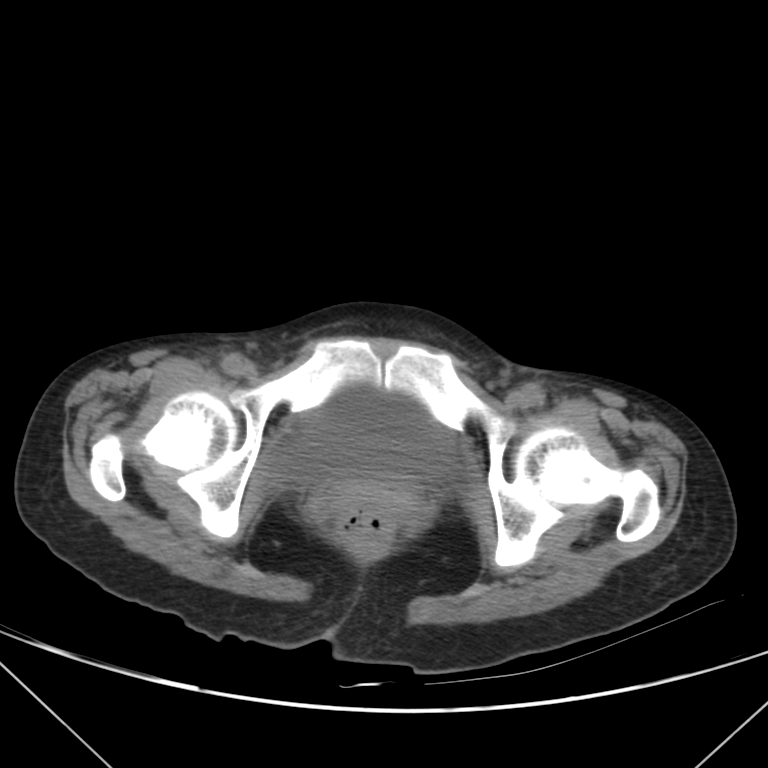
Computed tomography, abdomen — axial plane, index 13 — 768x768 px — scan has 15 labeled organs (a whole-scan count: organs this slice does not pass through have no box)
Bounding boxes as [x1, y1, x2, y2] in pixel coordinates.
bladder: [270, 386, 453, 485]